Lower-chest slice from an abdominal CT, just above the liver and spleen. axial plane, index 91. 512x512 px
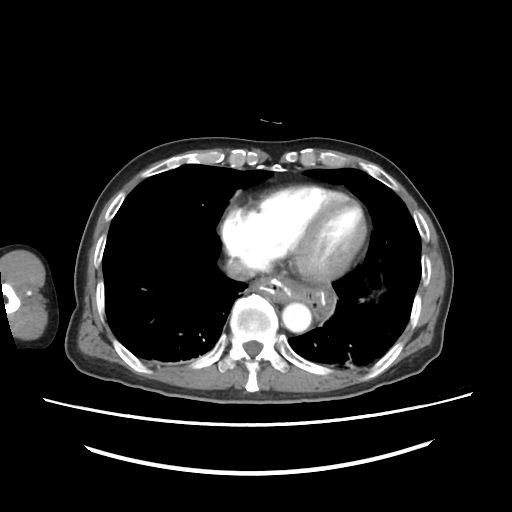 The heart and lungs are never labeled in this dataset, so they have no box on this slice.
{"organs":{"aorta":[282,305,310,331],"inferior vena cava":[223,258,256,280]}}